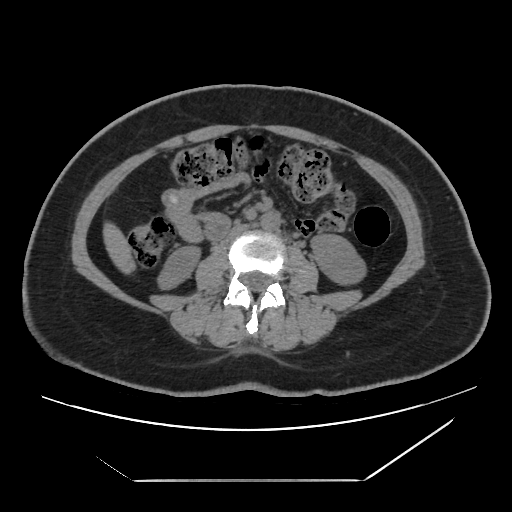

Computed tomography, abdomen. Axial slice 175/345. W/L 400/40 HU
{"organs":{"liver":[103,222,135,273],"aorta":[261,211,280,231],"left kidney":[311,234,366,284],"right kidney":[157,246,200,289],"inferior vena cava":[223,224,249,242]}}